CT, abdomen/pelvis. axial view. 15 organs annotated in this scan (counted over the whole 3D scan, not this slice; an organ is boxed only where this slice passes through it)
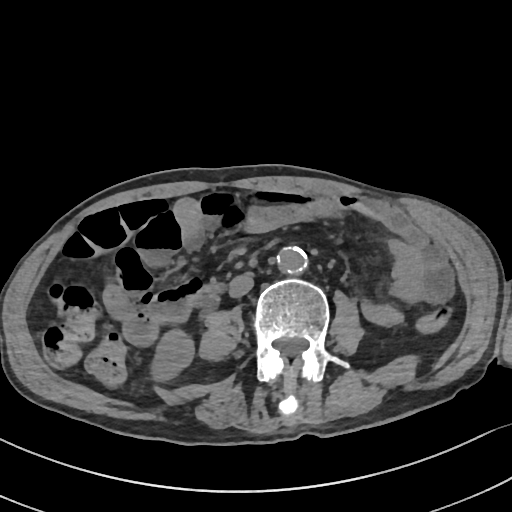 Box edges are left/top/right/bottom in pixels. 4 labeled organs on this slice — duodenum at left=194, top=284, right=224, bottom=309; inferior vena cava at left=229, top=274, right=253, bottom=298; right kidney at left=150, top=330, right=195, bottom=383; aorta at left=278, top=247, right=308, bottom=275.